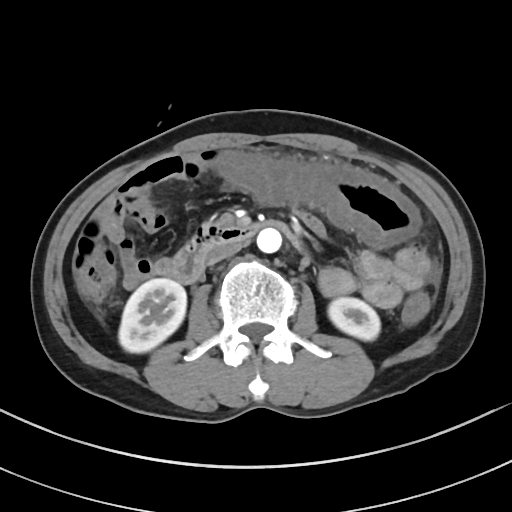
CT, abdomen/pelvis; axial plane, index 52; 512x512 px
One row per box, in pixels: columns x1 and y1 give the top-left corner, x2 and y2 the bottom-right.
| organ | x1 | y1 | x2 | y2 |
|---|---|---|---|---|
| right kidney | 118 | 278 | 186 | 352 |
| left kidney | 328 | 297 | 380 | 340 |
| aorta | 257 | 228 | 281 | 253 |
| inferior vena cava | 207 | 243 | 241 | 264 |
| duodenum | 171 | 220 | 298 | 283 |